Chest-level CT slice, above the liver and spleen; axial plane, index 105
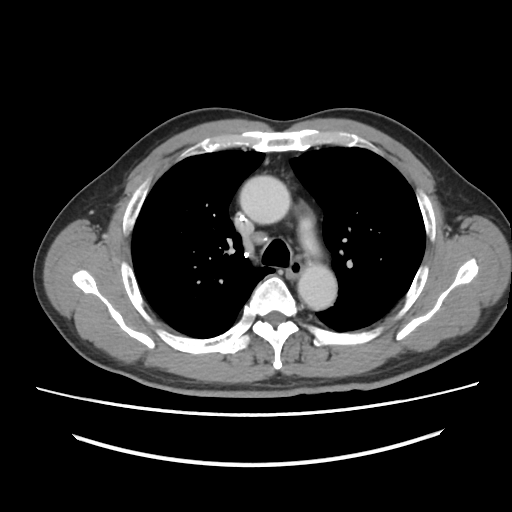
On a slice this high in the chest, this dataset labels only the esophagus and the aorta, and each is boxed only where it is labeled; the heart, lungs and other chest structures are not labeled.
{"organs":{"aorta":[[240,176,290,224],[297,263,336,310]],"esophagus":[286,261,301,278]}}